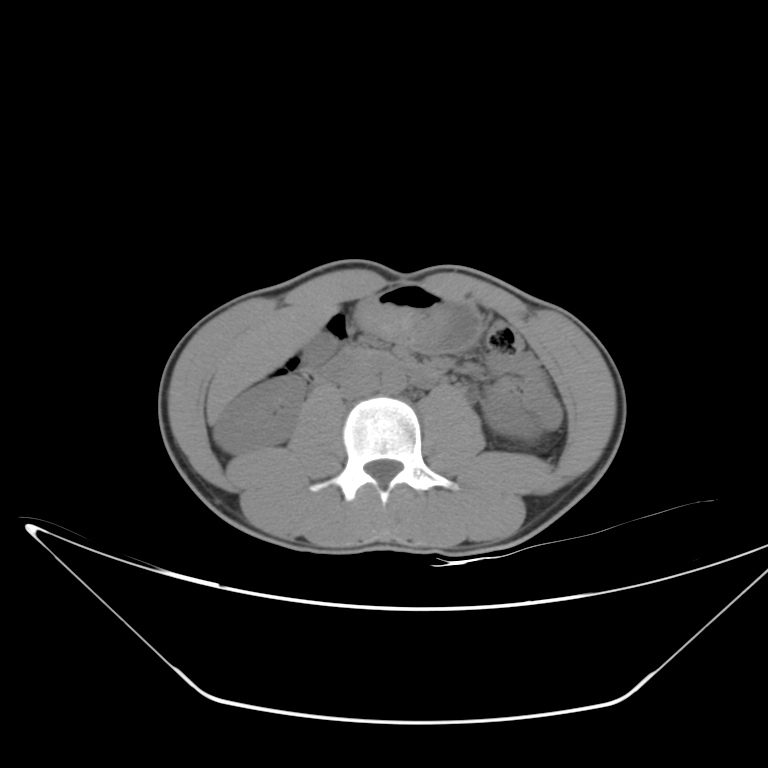 CT, abdomen/pelvis; axial view
{"organs":{"stomach":[355,284,483,351],"aorta":[381,371,405,393],"duodenum":[312,353,439,386],"inferior vena cava":[340,371,379,398],"gall bladder":[305,334,333,360],"liver":[207,295,340,420],"right kidney":[213,374,305,453],"left kidney":[485,400,521,431]}}